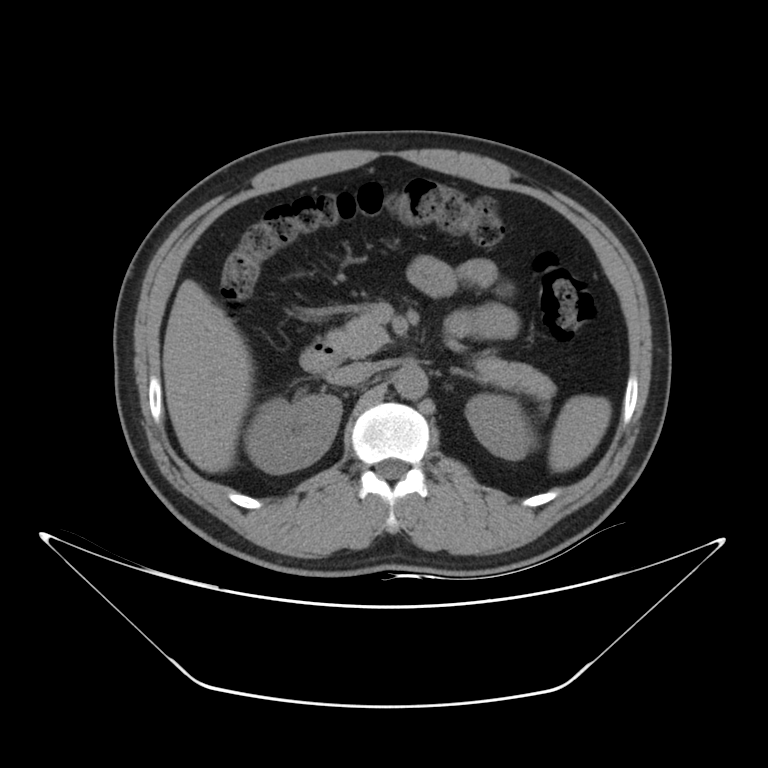

CT, abdomen/pelvis. axial view. soft-tissue window. 768x768 px. scan has 15 labeled organs (counted over the whole 3D scan, not this slice; an organ is boxed only where this slice passes through it)
Coordinates as <box>x1,y1,x2,y2</box> in pixels. 9 labeled organs on this slice — aorta at <box>395,364,427,399</box>; right kidney at <box>244,395,341,474</box>; inferior vena cava at <box>331,363,373,385</box>; duodenum at <box>300,341,342,372</box>; pancreas at <box>327,313,555,400</box>; left kidney at <box>466,394,537,460</box>; left adrenal gland at <box>450,368,478,380</box>; spleen at <box>548,395,611,471</box>; liver at <box>162,279,251,472</box>.